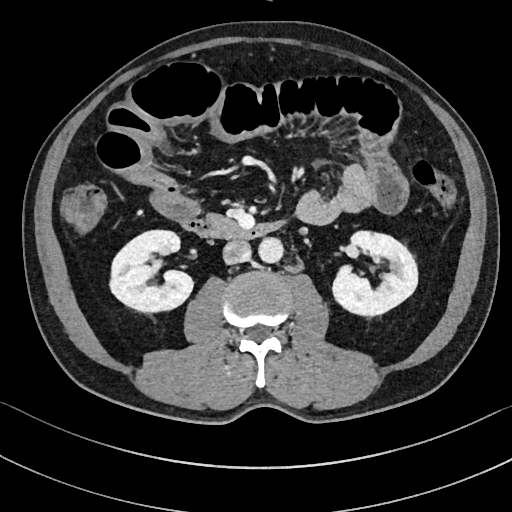

CT, abdomen/pelvis; axial view; acquired on SOMATOM Force
Bounding boxes in pixels, one row per box: x1, y1 is the top-left corner and x2, y2 the bottom-right.
| organ | x1 | y1 | x2 | y2 |
|---|---|---|---|---|
| aorta | 258 | 237 | 283 | 263 |
| duodenum | 183 | 216 | 279 | 240 |
| inferior vena cava | 223 | 240 | 252 | 264 |
| right kidney | 111 | 229 | 192 | 310 |
| left kidney | 331 | 230 | 418 | 315 |